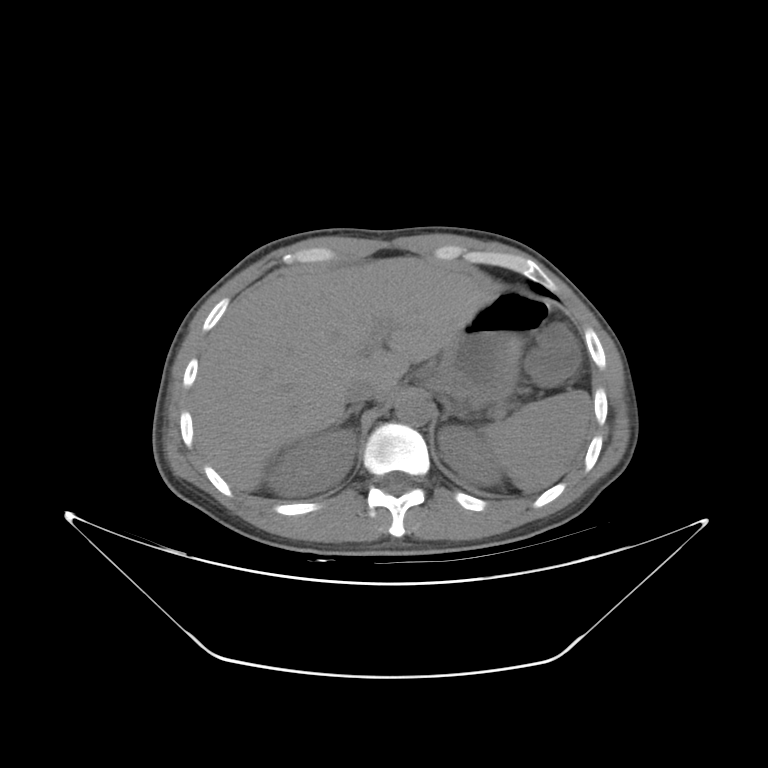

CT abdomen; axial view; soft-tissue window (W 400 / L 40); 768x768 px; 39-year-old male patient; Brilliance16 scanner
Boxes: x1:y1:x2:y2 in pixels.
Organ bounding boxes:
- spleen: 482:390:591:491
- liver: 192:257:496:491
- left adrenal gland: 441:400:468:420
- right adrenal gland: 338:406:360:423
- right kidney: 267:429:356:496
- aorta: 396:394:434:426
- inferior vena cava: 343:380:374:403
- stomach: 430:293:545:406
- left kidney: 438:425:501:485